MRI, abdomen; coronal view
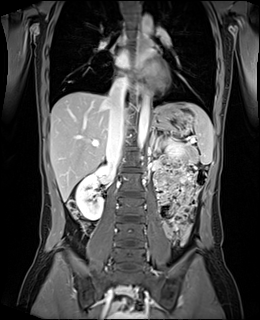

<organs><organ name="liver" x1="50" y1="92" x2="183" y2="201"/><organ name="aorta" x1="137" y1="95" x2="149" y2="152"/><organ name="aorta" x1="141" y1="14" x2="152" y2="37"/><organ name="spleen" x1="171" y1="103" x2="213" y2="164"/><organ name="right kidney" x1="75" y1="164" x2="109" y2="220"/><organ name="esophagus" x1="139" y1="75" x2="144" y2="98"/><organ name="esophagus" x1="138" y1="35" x2="143" y2="52"/><organ name="pancreas" x1="187" y1="150" x2="190" y2="150"/><organ name="inferior vena cava" x1="106" y1="78" x2="128" y2="168"/><organ name="stomach" x1="152" y1="109" x2="192" y2="134"/><organ name="left kidney" x1="167" y1="140" x2="183" y2="157"/><organ name="left adrenal gland" x1="150" y1="127" x2="155" y2="146"/></organs>